Abdominal CT; axial view
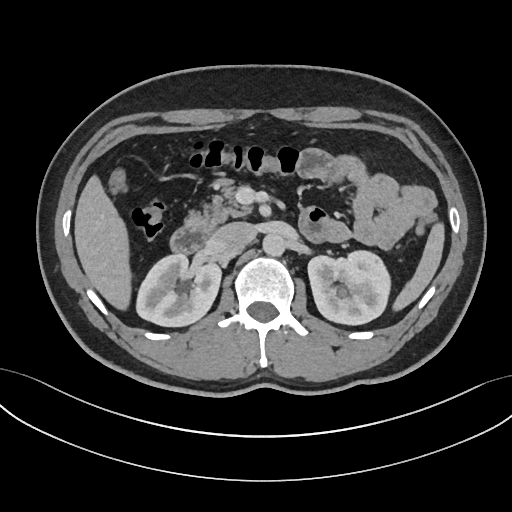
Bounding boxes in pixels, one row per box: x1, y1 is the top-left corner and x2, y2 the bottom-right.
| organ | x1 | y1 | x2 | y2 |
|---|---|---|---|---|
| inferior vena cava | 211 | 222 | 255 | 253 |
| left kidney | 307 | 250 | 389 | 325 |
| liver | 74 | 174 | 131 | 310 |
| right kidney | 137 | 254 | 222 | 327 |
| spleen | 392 | 222 | 443 | 311 |
| aorta | 262 | 234 | 286 | 256 |
| pancreas | 185 | 177 | 251 | 232 |
| duodenum | 169 | 220 | 209 | 254 |